CT abdomen · axial plane, index 16 · soft-tissue window (W 400 / L 40)
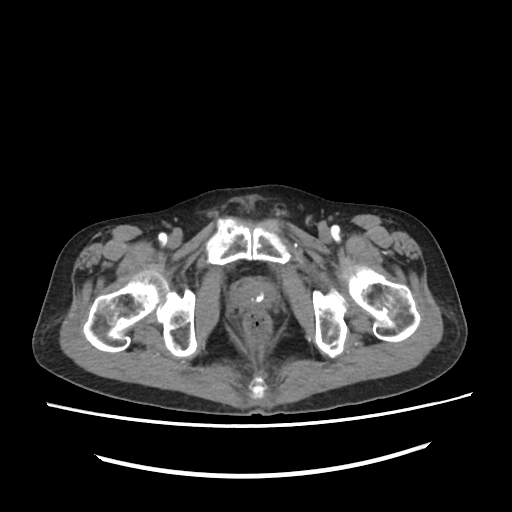

Bounding boxes as [x1, y1, x2, y2] in pixel coordinates.
Organ bounding boxes:
- prostate/uterus: [235, 284, 272, 310]